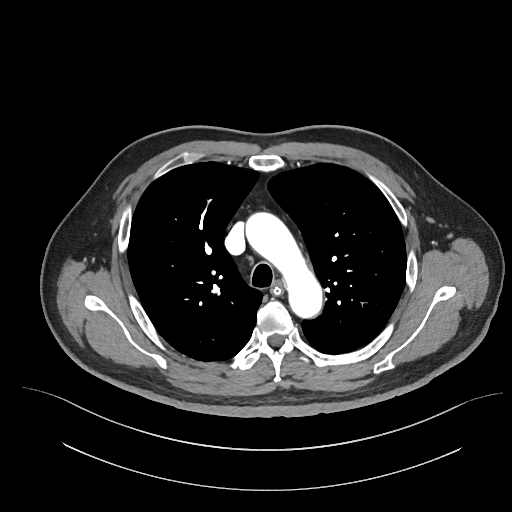
Chest-level CT slice, above the liver and spleen; axial view; W/L 400/40 HU; SOMATOM Force scanner
On a slice this high in the chest, this dataset labels only the esophagus and the aorta, and each is boxed only where it is labeled; the heart, lungs and other chest structures are not labeled.
Boxes: x1 y1 x2 y2 (pixel coords, space-separated).
Organ bounding boxes:
- esophagus: 272 282 281 294
- aorta: 247 214 321 316